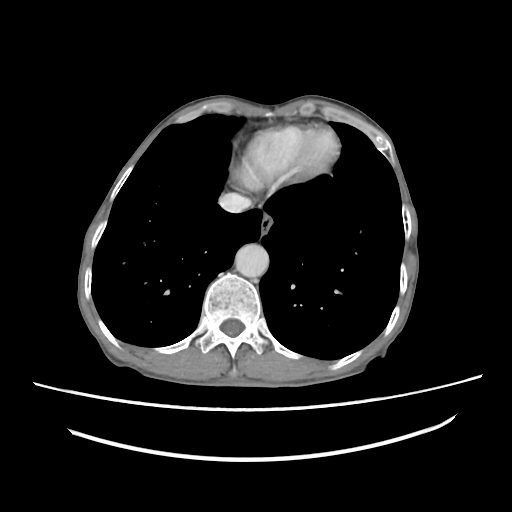 CT of the abdomen reaching into the lower chest, slice just above the liver and spleen. axial view. soft-tissue window (W 400 / L 40). 59-year-old male patient
Of the structures in the chest, this dataset labels only the esophagus, the aorta and the inferior vena cava; the heart and lungs have no label.
{"organs":{"inferior vena cava":[218,193,251,213],"aorta":[235,243,268,277],"esophagus":[260,214,272,233]}}